Abdominal CT. axial view. abdomen soft-tissue window
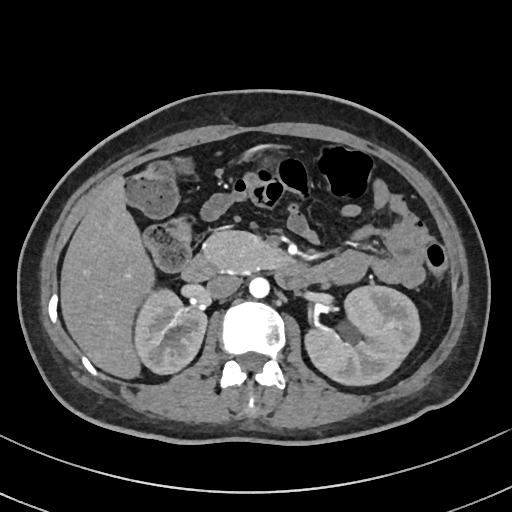
Boxes: x1:y1:x2:y2 in pixels.
Organ bounding boxes:
- right kidney: 135:289:206:374
- left kidney: 305:285:420:385
- liver: 60:176:154:378
- aorta: 249:277:269:298
- inferior vena cava: 207:275:241:298
- pancreas: 203:230:294:272
- duodenum: 182:256:316:288